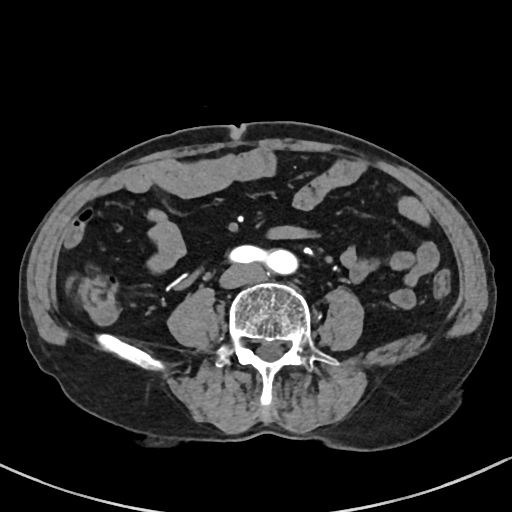

CT, abdomen/pelvis · axial view · 512x512 px · scan has 15 labeled organs (counted over the whole 3D scan, not this slice; an organ is boxed only where this slice passes through it)
{"organs":{"inferior vena cava":[222,263,265,287]}}